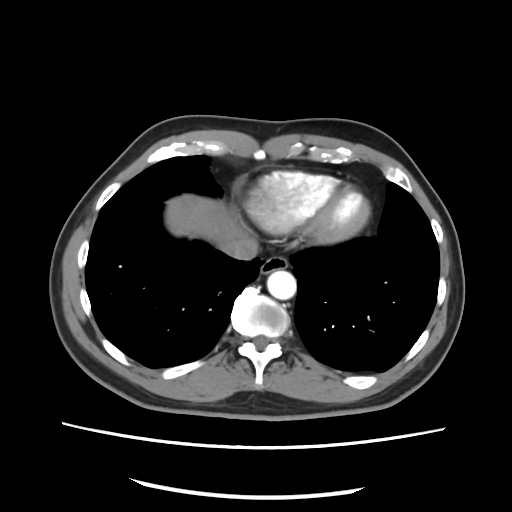 CT abdomen; axial view; W/L 400/40 HU; acquired on Aquilion ONE; scan has 15 labeled organs (that count is for the whole scan; organs this slice misses have no box)
Box edges are left/top/right/bottom in pixels.
Organ bounding boxes:
- esophagus: left=259, top=256, right=286, bottom=274
- liver: left=165, top=194, right=250, bottom=245
- aorta: left=266, top=269, right=296, bottom=300
- inferior vena cava: left=222, top=238, right=257, bottom=260